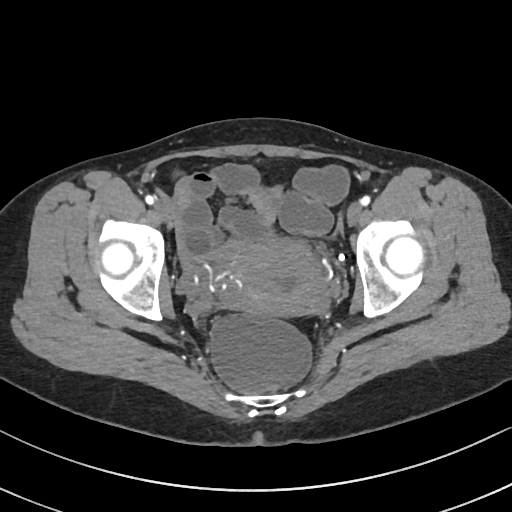
CT, abdomen/pelvis; axial view; abdomen soft-tissue window; acquired on SOMATOM Force
Each box given as x1,y1,x2,y2.
prostate/uterus: x1=234, y1=236, x2=325, y2=315